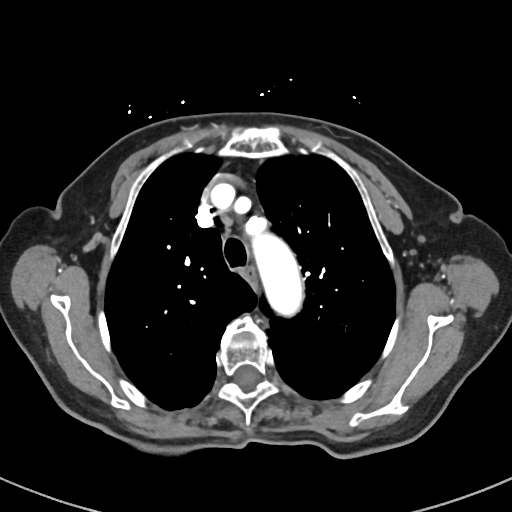 Chest-level slice from an abdominal CT that extends up into the chest · axial view · 512x512 px
At this level of the chest this dataset labels only the esophagus and the aorta, and each is boxed only where it is labeled; the heart and lungs are never labeled.
Each box given as x1,y1,x2,y2.
esophagus: x1=245, y1=266, x2=255, y2=281
aorta: x1=252, y1=233, x2=302, y2=315